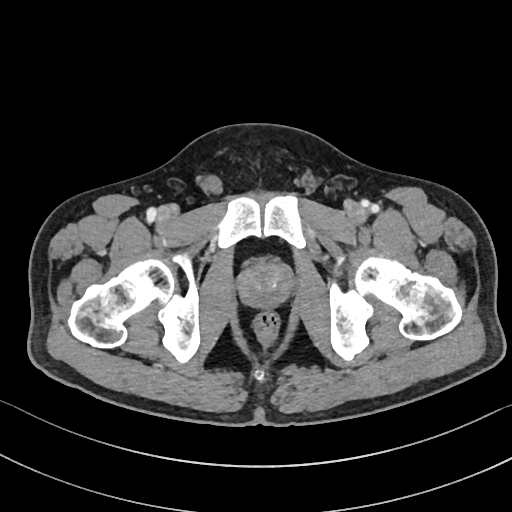

CT abdomen. axial view. 512x512 px. scan has 15 labeled organs (that count is for the whole scan; organs this slice misses have no box)
One row per box, in pixels: columns x1 and y1 give the top-left corner, x2 and y2 the bottom-right.
| organ | x1 | y1 | x2 | y2 |
|---|---|---|---|---|
| prostate/uterus | 239 | 264 | 291 | 307 |